Computed tomography, abdomen · axial view · abdomen soft-tissue window · 512x512 px
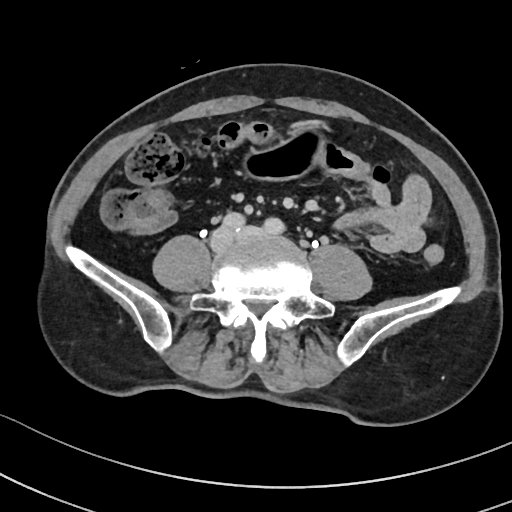 {"organs":{"stomach":[241,125,323,179]}}